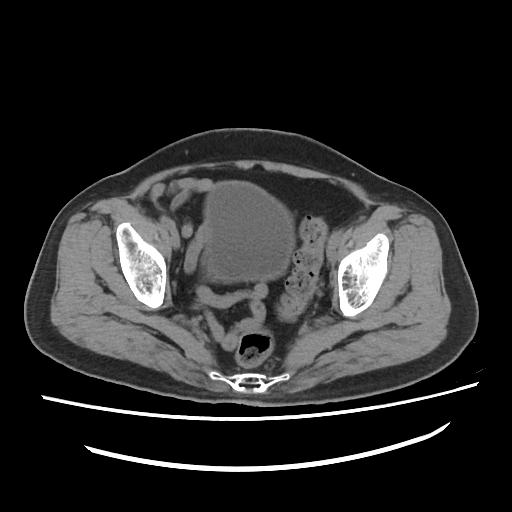
Abdominal CT; axial plane, index 21; 512x512 px; 61-year-old female patient
Each box given as x1,y1,x2,y2.
bladder: x1=205, y1=181, x2=291, y2=281